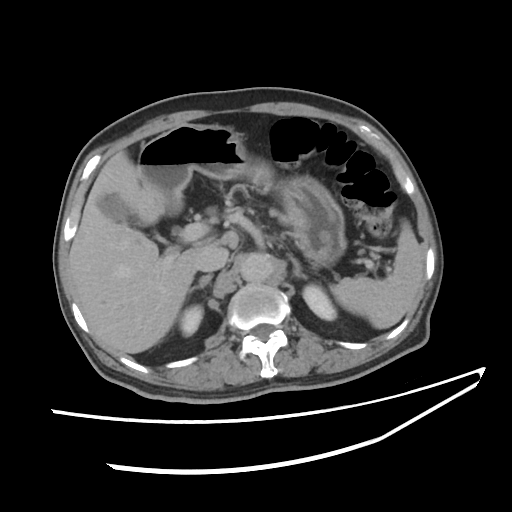

Abdominal CT. axial plane, index 72. soft-tissue window (W 400 / L 40). acquired on Aquilion ONE. 15 organs annotated in this scan (counted over the whole 3D scan, not this slice; an organ is boxed only where this slice passes through it)
Bounding boxes in pixels, one row per box: x1, y1 is the top-left corner and x2, y2 the bottom-right.
| organ | x1 | y1 | x2 | y2 |
|---|---|---|---|---|
| spleen | 329 | 221 | 422 | 329 |
| right kidney | 180 | 305 | 204 | 335 |
| left kidney | 303 | 284 | 336 | 320 |
| gall bladder | 99 | 194 | 140 | 226 |
| liver | 67 | 150 | 217 | 352 |
| stomach | 137 | 123 | 348 | 264 |
| aorta | 239 | 254 | 273 | 283 |
| inferior vena cava | 195 | 246 | 229 | 270 |
| pancreas | 270 | 209 | 284 | 220 |
| right adrenal gland | 189 | 273 | 213 | 300 |
| left adrenal gland | 291 | 257 | 307 | 277 |